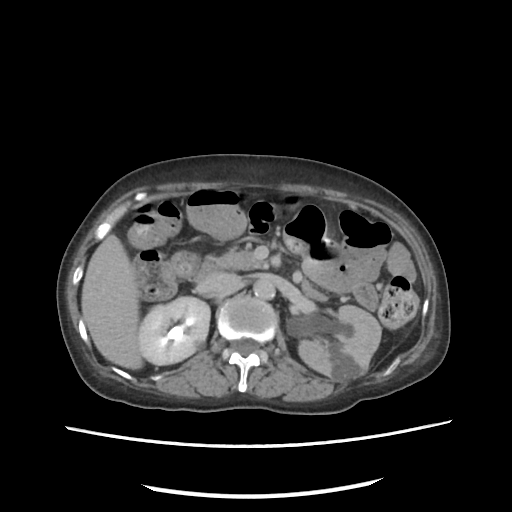

Abdominal CT — axial view — 512x512 px — 52-year-old female patient — Aquilion ONE scanner — scan has 14 labeled organs (that count is for the whole scan; organs this slice misses have no box)
Box edges are left/top/right/bottom in pixels.
right kidney: left=138, top=297, right=210, bottom=365
left kidney: left=298, top=305, right=381, bottom=380
liver: left=81, top=234, right=142, bottom=369
aorta: left=253, top=278, right=275, bottom=299
inferior vena cava: left=204, top=272, right=240, bottom=293
pancreas: left=217, top=250, right=263, bottom=269
duodenum: left=194, top=258, right=220, bottom=281